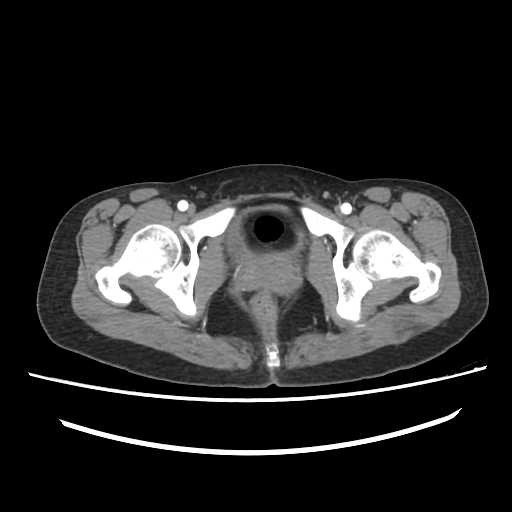

CT, abdomen/pelvis; axial view; acquired on Aquilion ONE; scan has 15 labeled organs (a whole-scan count: organs this slice does not pass through have no box)
Boxes: x1 y1 x2 y2 (pixel coords, space-separated).
Organ bounding boxes:
- bladder: 227 206 302 261
- prostate/uterus: 235 258 297 293